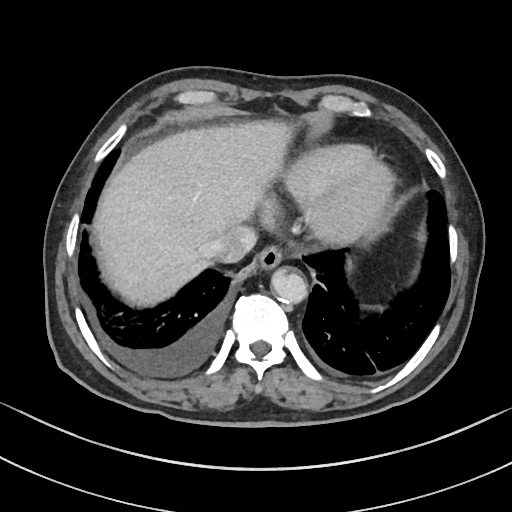 Computed tomography, abdomen — Axial slice 206/221 — W/L 400/40 HU — 512x512 px
Each box given as x1,y1,x2,y2. The annotated organs in this slice are: esophagus at x1=259, y1=244, x2=283, y2=268, liver at x1=95, y1=120, x2=290, y2=304, stomach at x1=344, y1=260, x2=351, y2=273, aorta at x1=270, y1=267, x2=306, y2=302, inferior vena cava at x1=207, y1=226, x2=255, y2=264.